Abdominal CT reaching into the chest; this slice is in the chest. axial plane, index 100. W/L 400/40 HU. scan has 15 labeled organs (a whole-scan count: organs this slice does not pass through have no box)
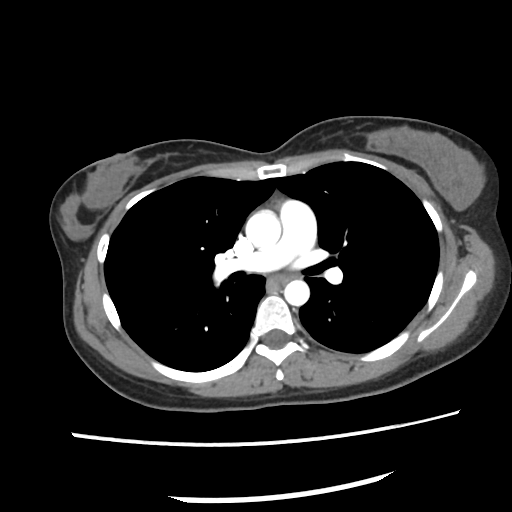 At this level of the chest no structure but the esophagus and the aorta has a label in this dataset, and those two are boxed only where they are labeled.
Bounding boxes in pixels, one row per box: x1, y1 is the top-left corner and x2, y2 the bottom-right.
| organ | x1 | y1 | x2 | y2 |
|---|---|---|---|---|
| esophagus | 276 | 273 | 288 | 287 |
| aorta | 245 | 209 | 281 | 249 |
| aorta | 284 | 280 | 308 | 304 |